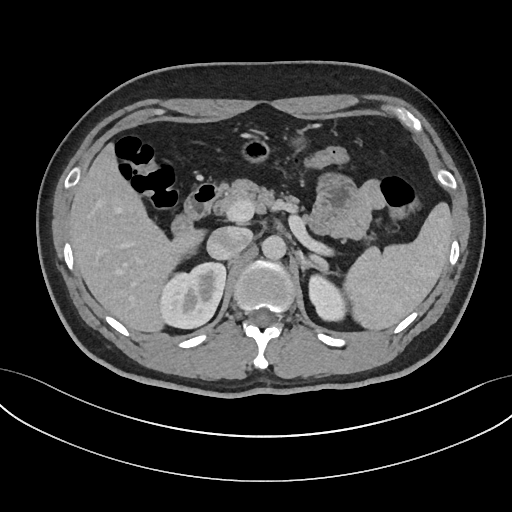
Computed tomography, abdomen; axial view
Bounding boxes as [x1, y1, x2, y2] in pixel coordinates. 10 labeled organs on this slice — spleen at [343, 203, 451, 331]; left kidney at [309, 275, 345, 321]; aorta at [262, 236, 286, 260]; duodenum at [170, 183, 227, 235]; left adrenal gland at [295, 250, 337, 274]; liver at [68, 142, 205, 332]; pancreas at [220, 180, 299, 209]; inferior vena cava at [207, 227, 251, 260]; right kidney at [158, 261, 225, 328]; stomach at [240, 135, 303, 163].